Abdominal CT; axial view; W/L 400/40 HU
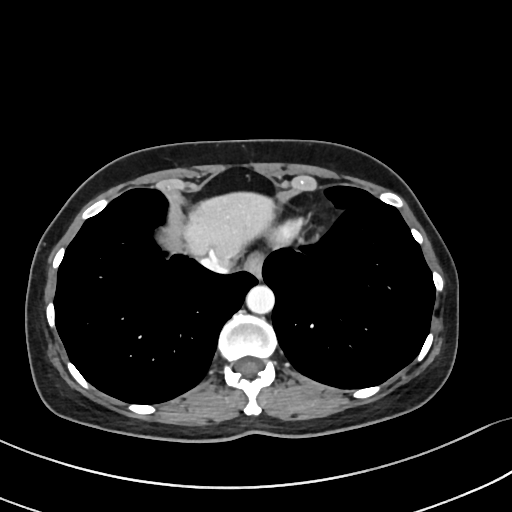
Organ boxes in pixel coordinates; each row gives the top-left (x1, y1) and bottom-right (x2, y2) corners.
| organ | x1 | y1 | x2 | y2 |
|---|---|---|---|---|
| aorta | 246 | 285 | 274 | 313 |
| inferior vena cava | 203 | 258 | 231 | 272 |
| esophagus | 245 | 254 | 263 | 277 |
| liver | 183 | 192 | 274 | 266 |